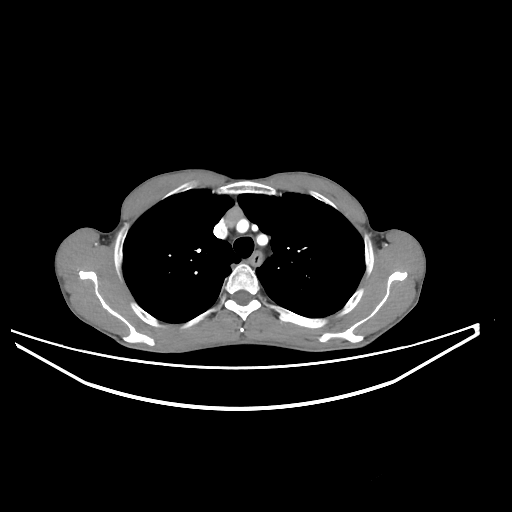 Chest-level CT slice, above the liver and spleen. axial view. soft-tissue window. 512x512 px. 60-year-old male patient. scan has 15 labeled organs (a whole-scan count: organs this slice does not pass through have no box)
At this level of the chest no structure but the esophagus and the aorta has a label in this dataset, and those two are boxed only where they are labeled.
Each box given as x1,y1,x2,y2.
Organ bounding boxes:
- esophagus: x1=249, y1=250, x2=262, y2=267